Abdominal CT — axial view — SOMATOM Force scanner
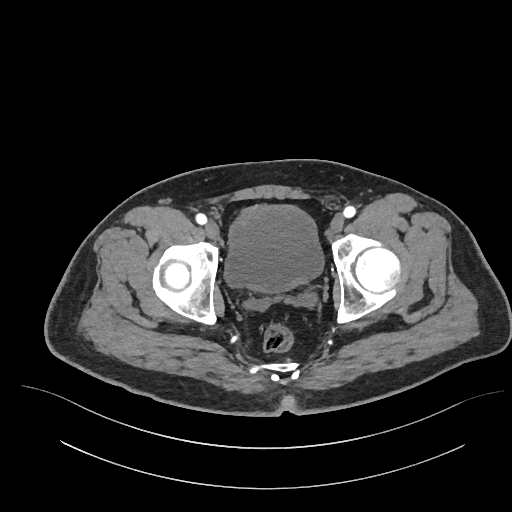

{"organs":{"bladder":[225,206,322,293]}}